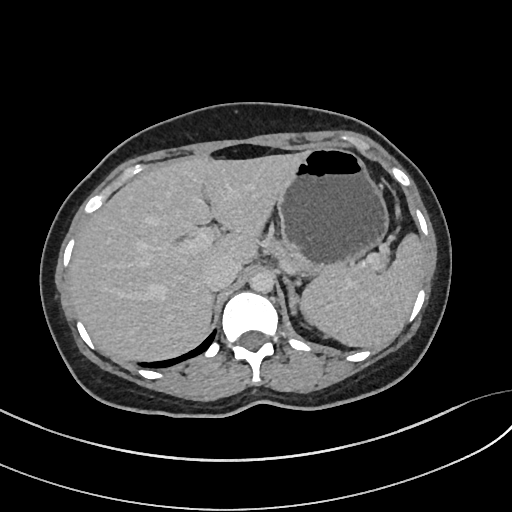
CT abdomen. Axial slice 174/219. soft-tissue window (W 400 / L 40). 512x512 px
<organs><organ name="spleen" x1="301" y1="236" x2="424" y2="346"/><organ name="liver" x1="69" y1="152" x2="303" y2="362"/><organ name="stomach" x1="275" y1="147" x2="387" y2="271"/><organ name="aorta" x1="249" y1="270" x2="273" y2="292"/><organ name="inferior vena cava" x1="204" y1="257" x2="239" y2="290"/><organ name="pancreas" x1="265" y1="234" x2="387" y2="266"/><organ name="left adrenal gland" x1="284" y1="275" x2="298" y2="313"/></organs>